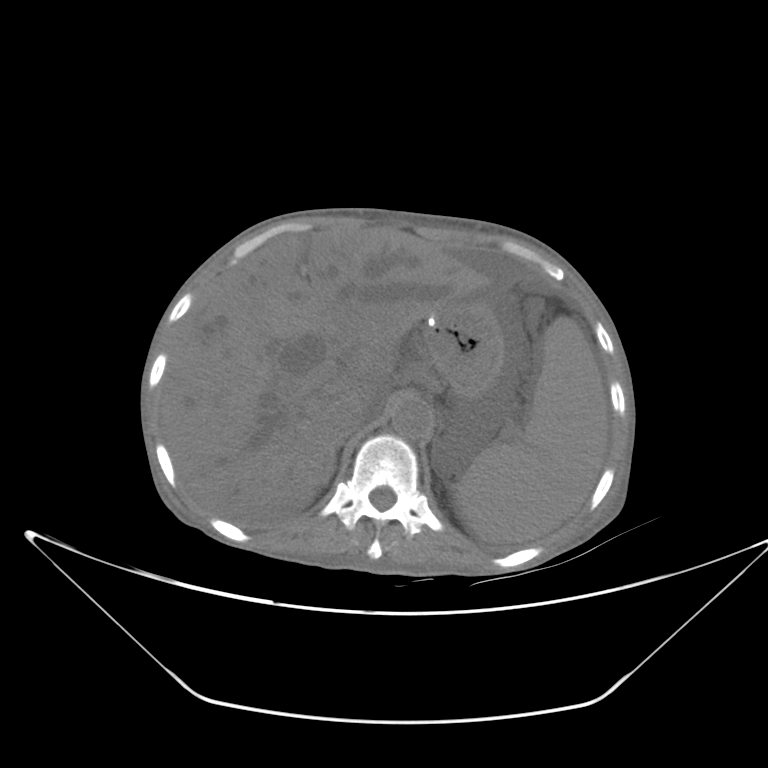

Abdominal CT — Axial slice 80/105 — 768x768 px — 56-year-old female patient — 15 organs annotated in this scan (that count is for the whole scan; organs this slice misses have no box)
Boxes: x1 y1 x2 y2 (pixel coords, space-separated). 6 labeled organs on this slice — spleen at 454 316 608 543; stomach at 422 294 504 400; aorta at 392 397 432 439; inferior vena cava at 330 398 376 440; liver at 159 228 486 528; right adrenal gland at 329 440 344 478.